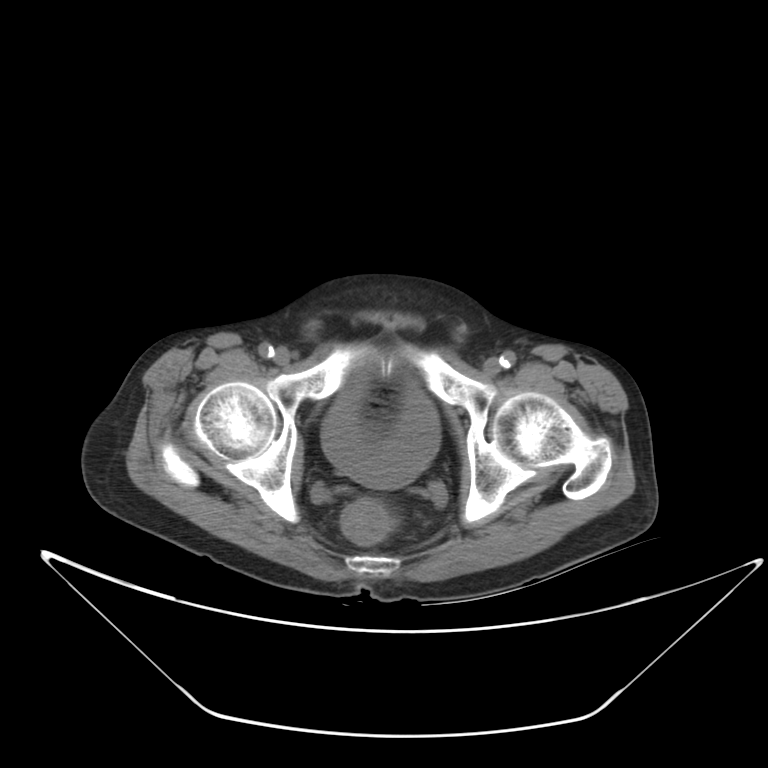

CT abdomen. axial view. W/L 400/40 HU. 64-year-old male patient
Coordinates as <box>x1,y1,x2,y2</box> in pixels. The annotated organs in this slice are: bladder at <box>321,365,440,488</box>.